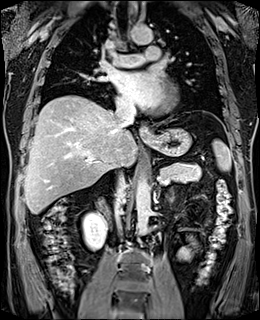
Magnetic resonance imaging, abdomen · coronal view
{"organs":{"spleen":[213,139,230,170],"right kidney":[82,213,106,250],"esophagus":[139,125,150,139],"liver":[24,95,137,214],"stomach":[143,128,191,156],"aorta":[[136,175,150,234],[128,24,152,44]],"inferior vena cava":[[114,159,126,230],[114,103,135,133]],"pancreas":[160,162,201,183],"left adrenal gland":[159,187,174,202],"duodenum":[97,199,109,221]}}